Abdominal MR; Axial slice 32/72; 320x260 px
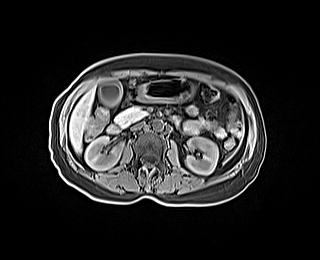

Boxes: x1 y1 x2 y2 (pixel coords, space-separated).
Organ bounding boxes:
- right kidney: 85 136 122 169
- left kidney: 185 137 218 174
- gall bladder: 99 78 121 106
- liver: 69 88 94 153
- stomach: 136 79 193 102
- aorta: 152 120 163 131
- inferior vena cava: 131 122 143 130
- pancreas: 115 106 147 125
- duodenum: 107 86 180 133